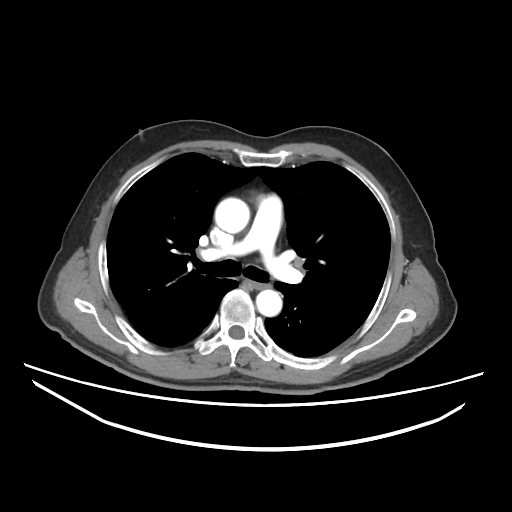 CT of the abdomen extending into the chest, slice through the chest · axial view · soft-tissue window (W 400 / L 40) · 512x512 px · 58-year-old male patient · scan has 15 labeled organs (counted over the whole 3D scan, not this slice; an organ is boxed only where this slice passes through it)
At this level of the chest this dataset labels only the esophagus and the aorta, and each is boxed only where it is labeled; the heart and lungs are never labeled.
Organ boxes in pixel coordinates; each row gives the top-left (x1, y1) and bottom-right (x2, y2) corners.
| organ | x1 | y1 | x2 | y2 |
|---|---|---|---|---|
| esophagus | 251 | 281 | 270 | 289 |
| aorta | 215 | 197 | 249 | 233 |
| aorta | 256 | 289 | 282 | 316 |